Chest-level CT slice, above the liver and spleen. axial view. soft-tissue window
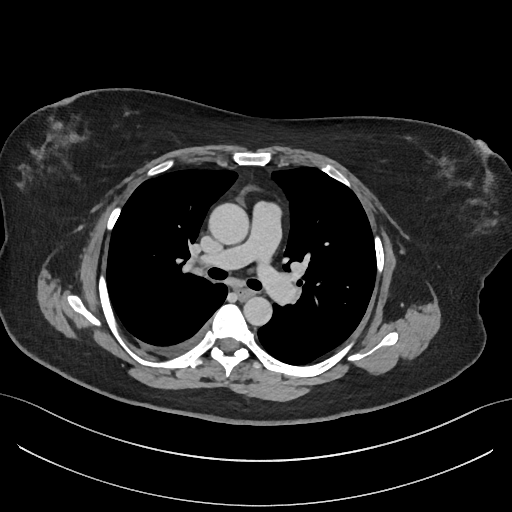
At this level of the chest this dataset labels only the esophagus and the aorta, and each is boxed only where it is labeled; the heart and lungs are never labeled. Boxes: x1 y1 x2 y2 (pixel coords, space-separated). The annotated organs in this slice are: esophagus at 238 289 252 299, aorta at 209 203 249 244, aorta at 243 296 272 326.